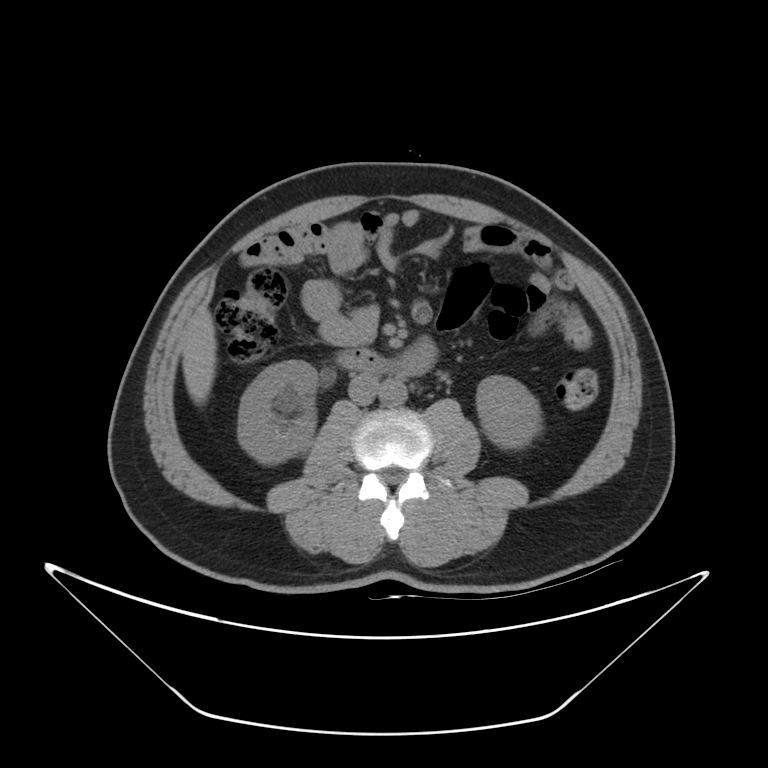

CT abdomen · axial view · abdomen soft-tissue window · acquired on Brilliance16
Box edges are left/top/right/bottom in pixels. Labeled organs on this slice: right kidney at left=238, top=360, right=317, bottom=464, liver at left=182, top=307, right=216, bottom=404, duodenum at left=337, top=339, right=435, bottom=377, aorta at left=379, top=379, right=407, bottom=407, inferior vena cava at left=348, top=373, right=379, bottom=404, left kidney at left=476, top=375, right=541, bottom=448.